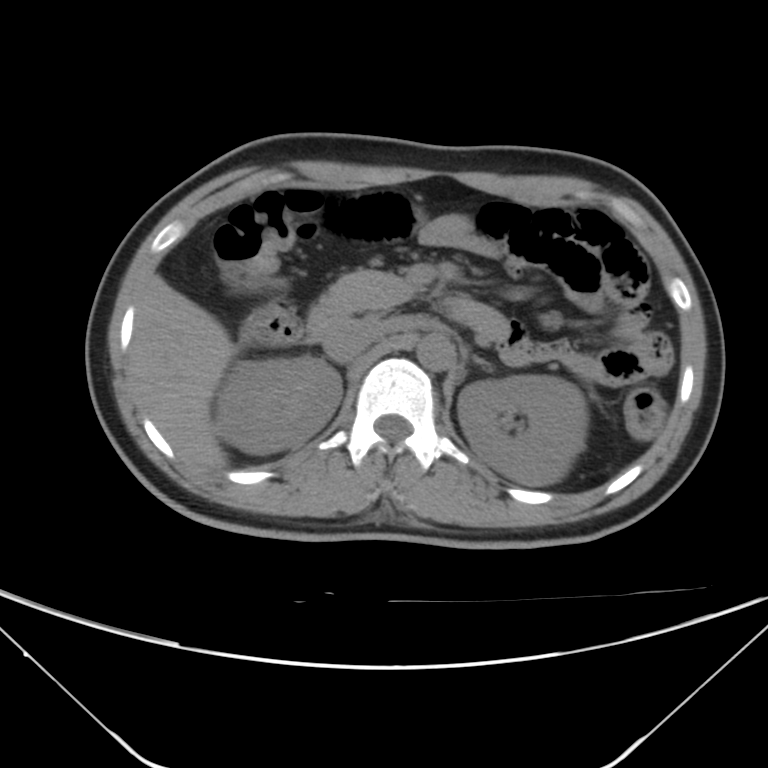 Abdominal CT. Axial slice 67/100. soft-tissue window (W 400 / L 40)
One row per box, in pixels: columns x1 and y1 give the top-left corner, x2 and y2 the bottom-right.
| organ | x1 | y1 | x2 | y2 |
|---|---|---|---|---|
| right kidney | 215 | 356 | 342 | 453 |
| left kidney | 457 | 374 | 588 | 486 |
| liver | 130 | 275 | 237 | 469 |
| aorta | 417 | 334 | 455 | 370 |
| inferior vena cava | 322 | 317 | 383 | 362 |
| pancreas | 317 | 268 | 416 | 313 |
| left adrenal gland | 475 | 358 | 490 | 368 |
| duodenum | 308 | 301 | 510 | 341 |